Abdominal CT; axial plane, index 38; W/L 400/40 HU
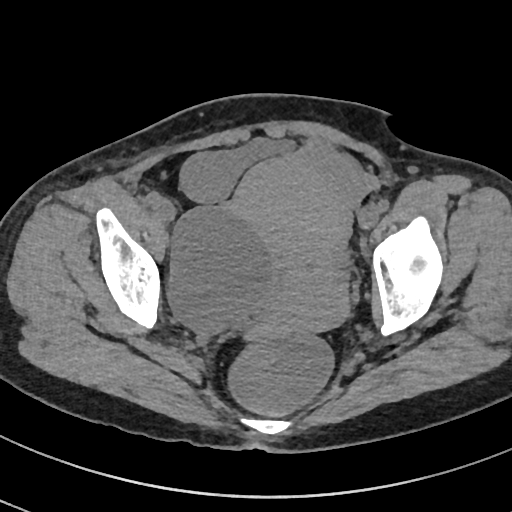

Boxes: x1 y1 x2 y2 (pixel coords, space-separated).
Organ bounding boxes:
- bladder: 180 137 292 201
- prostate/uterus: 231 157 349 341